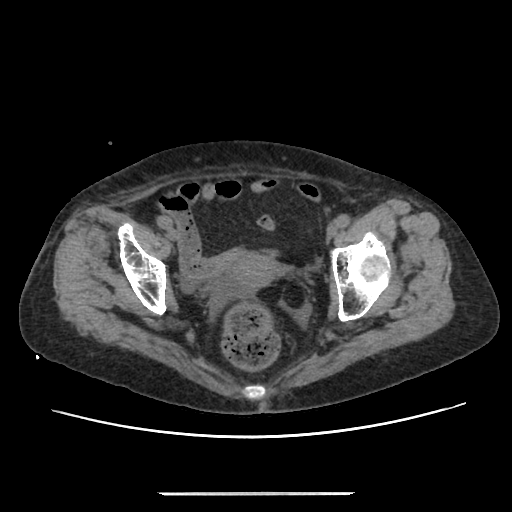
CT abdomen · axial view · scan has 14 labeled organs (counted over the whole 3D scan, not this slice; an organ is boxed only where this slice passes through it)
Coordinates as <box>x1,y1,x2,y2</box> in pixels.
Organ bounding boxes:
- prostate/uterus: <box>231,252,281,291</box>